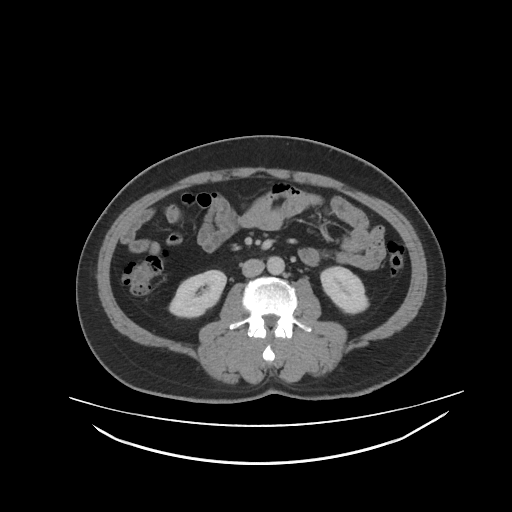

Abdominal CT · axial plane, index 57 · soft-tissue window (W 400 / L 40)
<organs><organ name="aorta" x1="267" y1="256" x2="284" y2="274"/><organ name="right kidney" x1="169" y1="271" x2="227" y2="317"/><organ name="left kidney" x1="321" y1="266" x2="368" y2="312"/><organ name="inferior vena cava" x1="241" y1="259" x2="263" y2="277"/></organs>